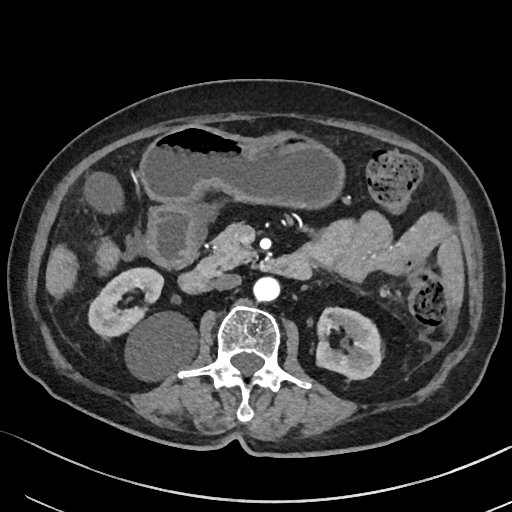 Computed tomography, abdomen — axial view — W/L 400/40 HU
Coordinates as <box>x1,y1,x2,y2</box> in pixels. 9 labeled organs on this slice — right kidney at <box>88,267,197,379</box>; liver at <box>46,245,78,297</box>; gall bladder at <box>84,172,123,213</box>; pancreas at <box>196,223,256,278</box>; duodenum at <box>152,255,310,293</box>; stomach at <box>140,125,344,268</box>; inferior vena cava at <box>213,274,241,289</box>; aorta at <box>253,277,279,301</box>; left kidney at <box>316,307,381,379</box>.